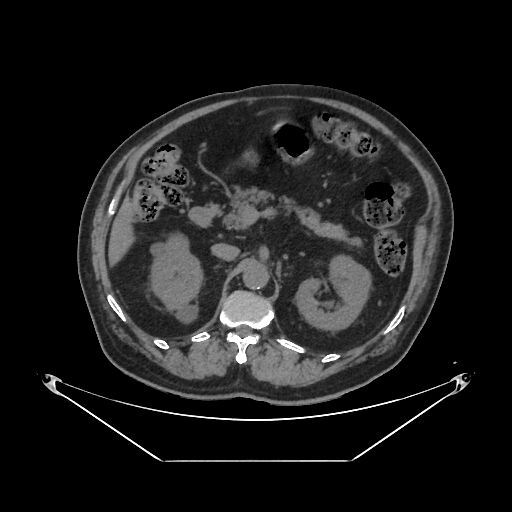

CT, abdomen/pelvis. axial view. 512x512 px. SOMATOM Force scanner
Coordinates as <box>x1,y1,x2,y2</box> in pixels.
Organ bounding boxes:
- right kidney: <box>150,236,201,321</box>
- left kidney: <box>296,255,370,330</box>
- liver: <box>109,199,132,262</box>
- stomach: <box>274,122,312,161</box>
- aorta: <box>243,262,268,289</box>
- inferior vena cava: <box>212,243,240,259</box>
- pancreas: <box>222,191,345,239</box>
- duodenum: <box>189,203,219,227</box>